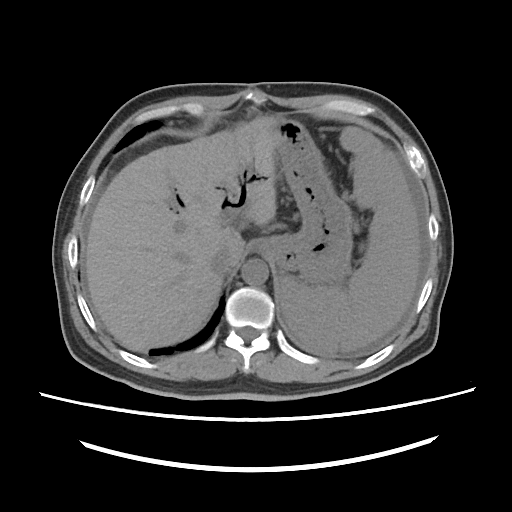

Abdominal CT. axial view
Organ boxes in pixel coordinates; each row gives the top-left (x1, y1) and bottom-right (x2, y2) corners.
| organ | x1 | y1 | x2 | y2 |
|---|---|---|---|---|
| spleen | 279 | 127 | 420 | 351 |
| stomach | 251 | 118 | 352 | 283 |
| inferior vena cava | 210 | 247 | 236 | 276 |
| liver | 85 | 117 | 276 | 350 |
| aorta | 241 | 259 | 268 | 285 |